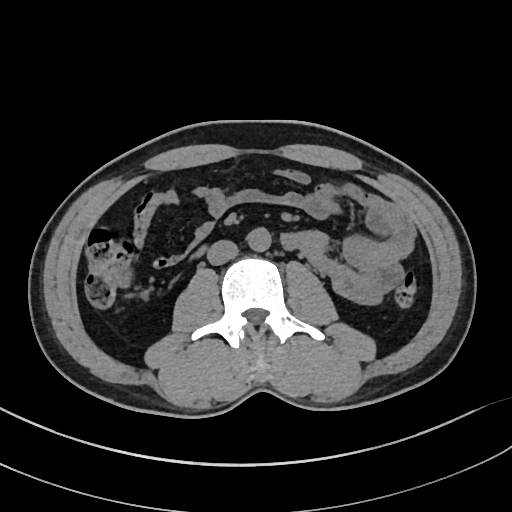
Computed tomography, abdomen; axial view; 15 organs annotated in this scan (counted over the whole 3D scan, not this slice; an organ is boxed only where this slice passes through it)
<organs><organ name="aorta" x1="247" y1="226" x2="271" y2="252"/><organ name="inferior vena cava" x1="207" y1="239" x2="238" y2="264"/></organs>